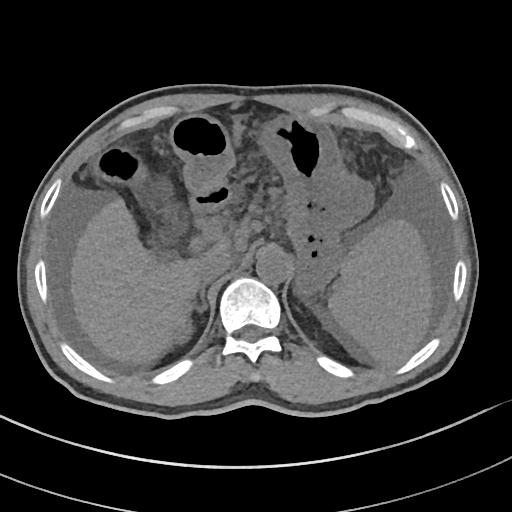

CT abdomen — Axial slice 164/206 — 512x512 px — 15 organs annotated in this scan (a whole-scan count: organs this slice does not pass through have no box)
{"organs":{"spleen":[326,220,430,363],"liver":[71,198,232,365],"stomach":[171,116,373,297],"aorta":[257,249,291,285],"inferior vena cava":[198,252,233,283],"right adrenal gland":[194,287,206,313],"duodenum":[190,188,231,211]}}